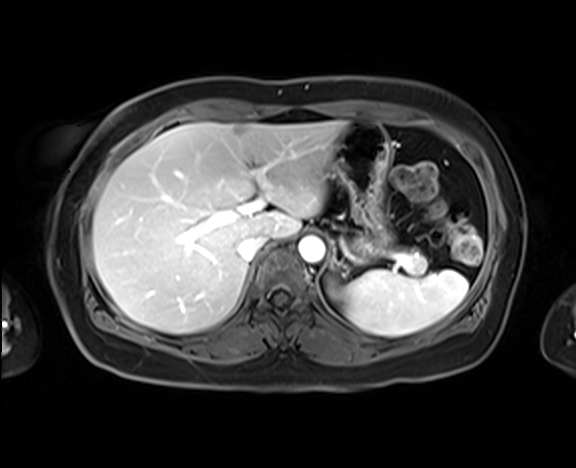

Magnetic resonance imaging, abdomen · axial view
Each box given as x1,y1,x2,y2.
Organ bounding boxes:
- pancreas: x1=410, y1=253, x2=427, y2=273
- aorta: x1=298, y1=235, x2=325, y2=262
- left kidney: x1=326, y1=280, x2=340, y2=295
- stomach: x1=334, y1=122, x2=391, y2=260
- inferior vena cava: x1=237, y1=234, x2=267, y2=261
- liver: x1=93, y1=121, x2=346, y2=333
- spleen: x1=340, y1=270, x2=468, y2=336